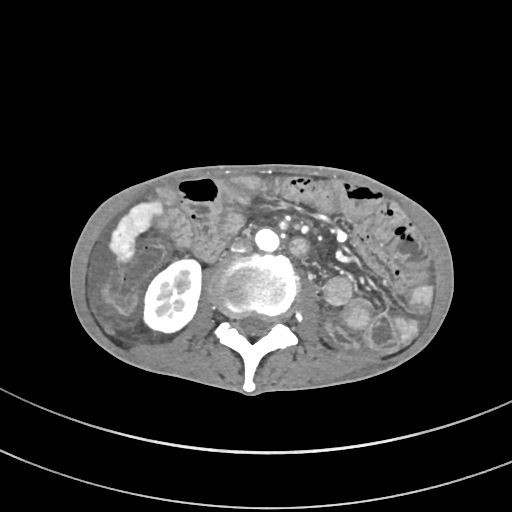

CT, abdomen/pelvis. axial view
Boxes: x1 y1 x2 y2 (pixel coords, space-separated).
Organ bounding boxes:
- liver: 110 201 162 261
- inferior vena cava: 231 238 251 252
- aorta: 255 228 279 251
- right kidney: 144 259 201 332